CT, abdomen/pelvis. Axial slice 49/84. W/L 400/40 HU. 42-year-old male patient
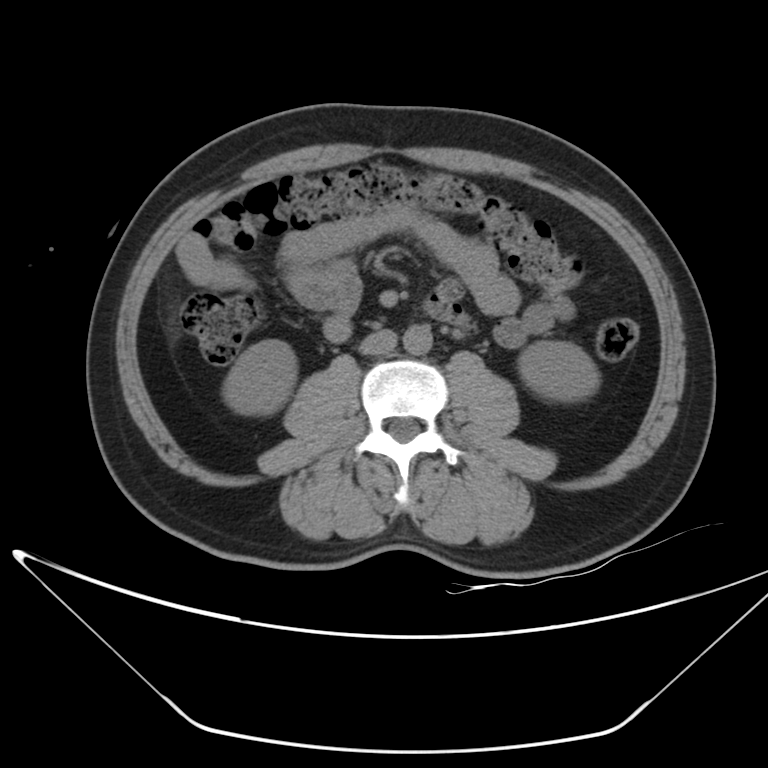
Boxes are (x1, y1, x2, y2) in pixels.
right kidney: (222, 340, 297, 414)
left kidney: (517, 341, 599, 401)
aorta: (403, 325, 432, 355)
inferior vena cava: (359, 329, 396, 355)